CT, abdomen/pelvis — Axial slice 121/187 — SOMATOM Force scanner
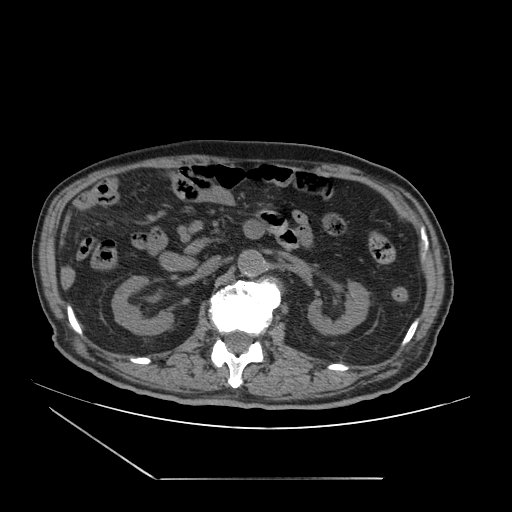
Box edges are left/top/right/bottom in pixels. The annotated organs in this slice are: right kidney at left=112, top=276, right=173, bottom=334, left kidney at left=307, top=282, right=369, bottom=334, aorta at left=237, top=250, right=264, bottom=277, inferior vena cava at left=197, top=255, right=220, bottom=273, pancreas at left=186, top=242, right=204, bottom=252, duodenum at left=159, top=220, right=265, bottom=271.